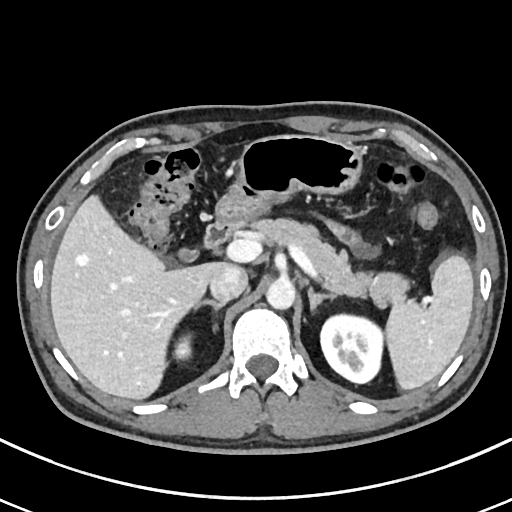
CT abdomen. axial plane, index 160. soft-tissue window. 512x512 px
<organs><organ name="spleen" x1="384" y1="254" x2="473" y2="389"/><organ name="right kidney" x1="174" y1="336" x2="192" y2="359"/><organ name="left kidney" x1="321" y1="314" x2="381" y2="383"/><organ name="gall bladder" x1="179" y1="249" x2="198" y2="262"/><organ name="liver" x1="50" y1="192" x2="244" y2="400"/><organ name="stomach" x1="215" y1="134" x2="364" y2="225"/><organ name="aorta" x1="266" y1="280" x2="295" y2="310"/><organ name="inferior vena cava" x1="209" y1="266" x2="247" y2="303"/><organ name="pancreas" x1="253" y1="217" x2="409" y2="303"/><organ name="right adrenal gland" x1="194" y1="299" x2="225" y2="311"/><organ name="left adrenal gland" x1="308" y1="288" x2="337" y2="312"/><organ name="duodenum" x1="204" y1="217" x2="240" y2="251"/></organs>